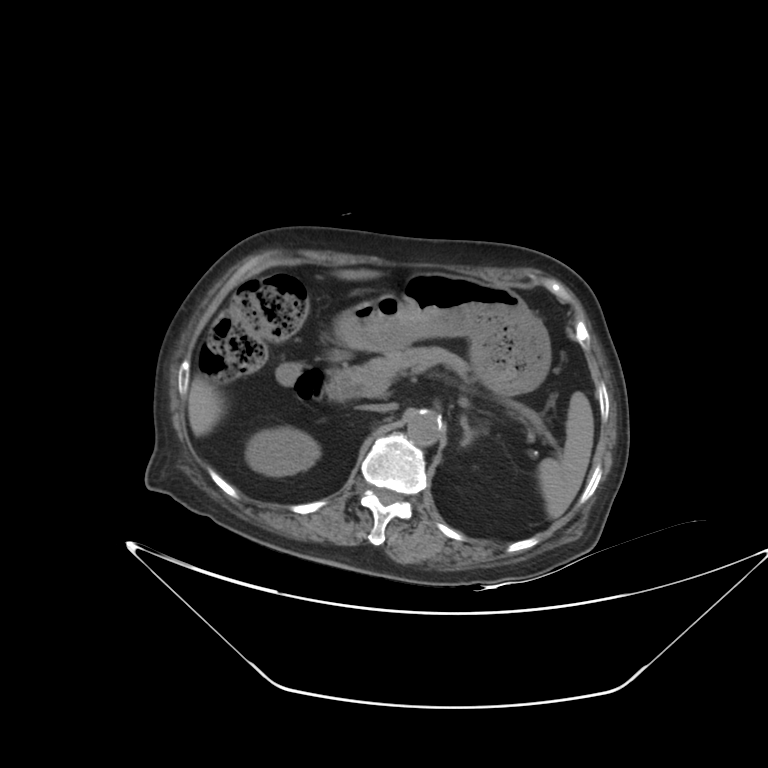

CT abdomen. axial view. abdomen soft-tissue window
Organ boxes in pixel coordinates; each row gives the top-left (x1, y1) and bottom-right (x2, y2) corners.
| organ | x1 | y1 | x2 | y2 |
|---|---|---|---|---|
| inferior vena cava | 361 | 402 | 396 | 412 |
| left adrenal gland | 460 | 415 | 477 | 446 |
| aorta | 407 | 410 | 442 | 446 |
| stomach | 334 | 273 | 551 | 395 |
| spleen | 538 | 391 | 594 | 519 |
| liver | 188 | 269 | 379 | 435 |
| duodenum | 273 | 361 | 344 | 401 |
| pancreas | 331 | 346 | 539 | 424 |
| right kidney | 246 | 427 | 319 | 476 |